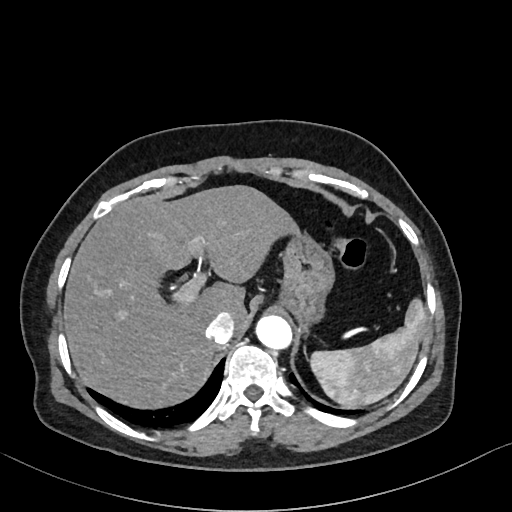

CT, abdomen/pelvis; Axial slice 180/222
Boxes are (x1, y1, x2, y2) in pixels. Labeled organs on this slice: stomach at (281, 235, 333, 319), aorta at (254, 314, 291, 350), inferior vena cava at (205, 312, 235, 343), liver at (63, 184, 297, 410), spleen at (310, 299, 428, 408).